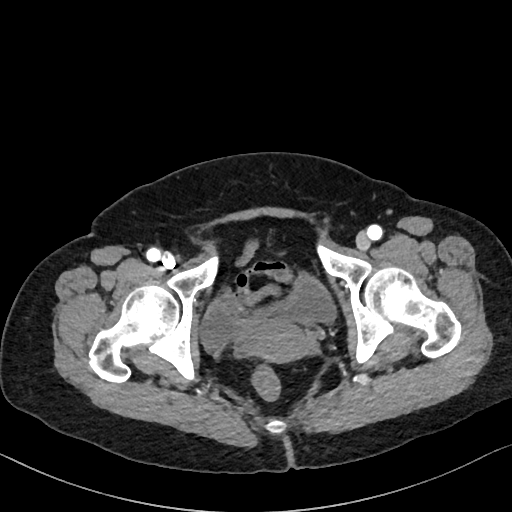 Abdominal CT. Axial slice 28/222. soft-tissue window (W 400 / L 40). 512x512 px. scan has 15 labeled organs (a whole-scan count: organs this slice does not pass through have no box)
{"organs":{"bladder":[199,274,336,349],"prostate/uterus":[250,325,314,362]}}